Chest-level slice from an abdominal CT that extends up into the chest — axial view
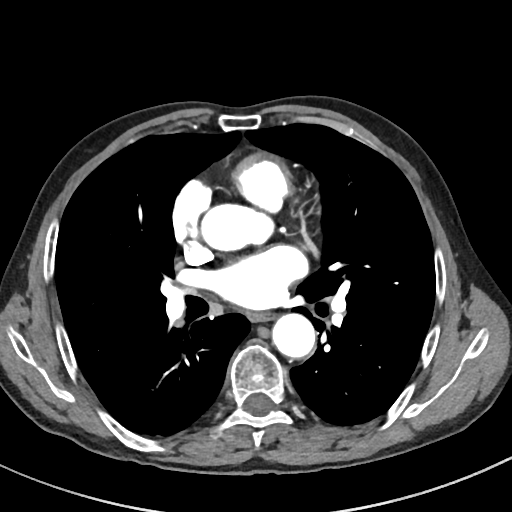
At this level of the chest no structure but the esophagus and the aorta has a label in this dataset, and those two are boxed only where they are labeled.
<organs><organ name="aorta" x1="202" y1="204" x2="275" y2="250"/><organ name="aorta" x1="272" y1="313" x2="315" y2="358"/><organ name="esophagus" x1="249" y1="312" x2="275" y2="322"/></organs>